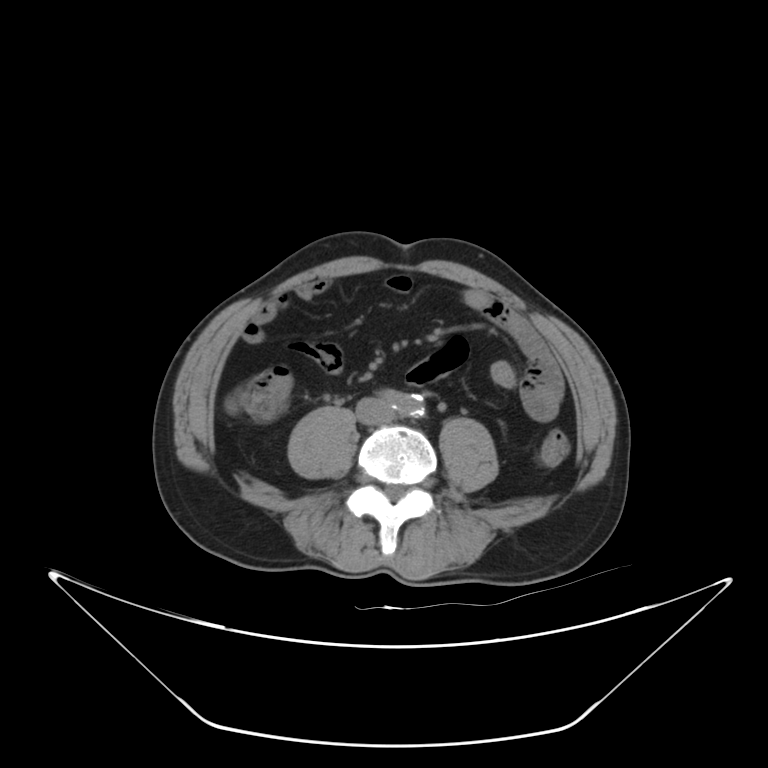 CT, abdomen/pelvis — axial plane, index 48 — abdomen soft-tissue window — 768x768 px — Brilliance16 scanner
Bounding boxes in pixels, one row per box: x1, y1 is the top-left corner and x2, y2 the bottom-right.
| organ | x1 | y1 | x2 | y2 |
|---|---|---|---|---|
| inferior vena cava | 355 | 400 | 395 | 423 |